CT abdomen · axial plane, index 18 · 60-year-old female patient · 15 organs annotated in this scan (that count is for the whole scan; organs this slice misses have no box)
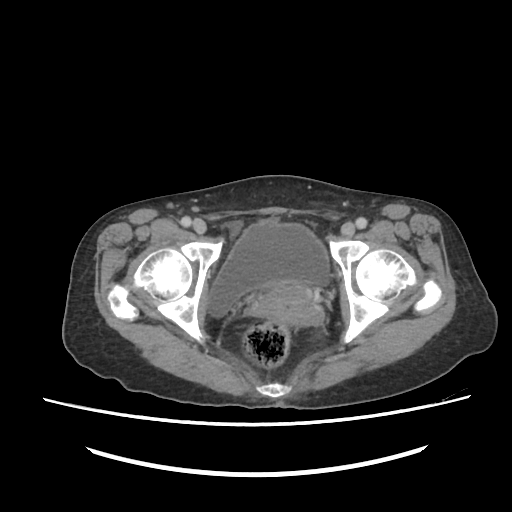
Boxes: x1:y1:x2:y2 in pixels.
bladder: 208:224:329:316
prostate/uterus: 259:282:320:325